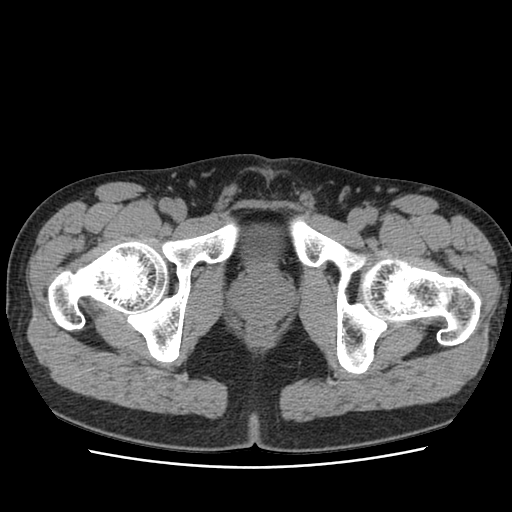

CT, abdomen/pelvis. axial view. soft-tissue window (W 400 / L 40). 512x512 px. scan has 15 labeled organs (that count is for the whole scan; organs this slice misses have no box)
Bounding boxes in pixels, one row per box: x1, y1 is the top-left corner and x2, y2 the bottom-right.
| organ | x1 | y1 | x2 | y2 |
|---|---|---|---|---|
| bladder | 242 | 226 | 278 | 260 |
| prostate/uterus | 233 | 269 | 291 | 320 |